Magnetic resonance imaging, abdomen. axial plane, index 28. percentile-normalized. scan has 13 labeled organs (a whole-scan count: organs this slice does not pass through have no box)
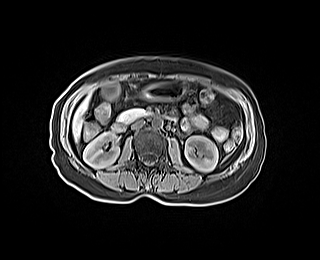 <organs><organ name="pancreas" x1="117" y1="108" x2="148" y2="122"/><organ name="right kidney" x1="83" y1="132" x2="119" y2="168"/><organ name="duodenum" x1="111" y1="115" x2="173" y2="132"/><organ name="aorta" x1="152" y1="117" x2="162" y2="128"/><organ name="stomach" x1="143" y1="82" x2="185" y2="99"/><organ name="inferior vena cava" x1="131" y1="120" x2="144" y2="129"/><organ name="gall bladder" x1="102" y1="85" x2="119" y2="99"/><organ name="liver" x1="72" y1="96" x2="89" y2="142"/><organ name="left kidney" x1="185" y1="136" x2="217" y2="171"/></organs>